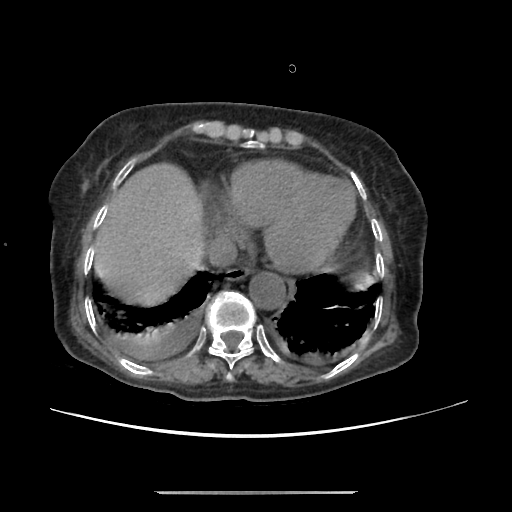
Computed tomography, abdomen — axial view — soft-tissue window (W 400 / L 40) — 512x512 px
Boxes are (x1, y1, x2, y2) in pixels.
Organ bounding boxes:
- esophagus: (223, 266, 251, 281)
- liver: (95, 163, 203, 303)
- aorta: (249, 273, 285, 310)
- inferior vena cava: (207, 234, 236, 267)